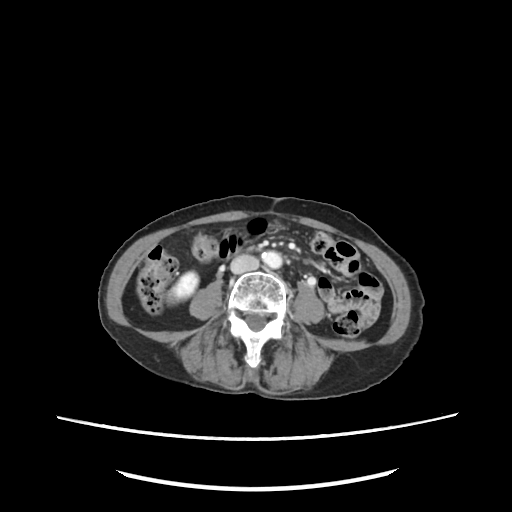 CT, abdomen/pelvis · axial plane, index 46 · 512x512 px · scan has 15 labeled organs (that count is for the whole scan; organs this slice misses have no box)
Coordinates as <box>x1,y1,x2,y2</box> in pixels.
inferior vena cava: <box>229,256,257,272</box>
right kidney: <box>174,271,198,299</box>
aorta: <box>261,250,281,268</box>
duodenum: <box>218,234,242,260</box>